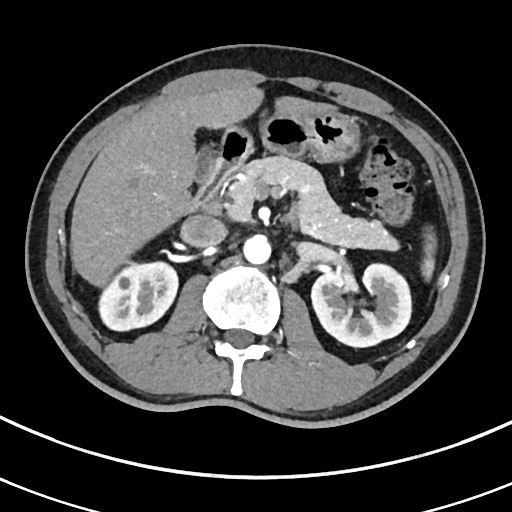 Computed tomography, abdomen — axial view — 15 organs annotated in this scan (that count is for the whole scan; organs this slice misses have no box)
{"organs":{"spleen":[424,235,435,280],"right kidney":[99,261,178,331],"left kidney":[311,262,411,346],"gall bladder":[195,139,213,181],"liver":[70,87,325,284],"stomach":[222,107,357,159],"aorta":[243,233,270,263],"inferior vena cava":[180,215,226,248],"pancreas":[225,156,395,249],"duodenum":[188,122,253,211]}}